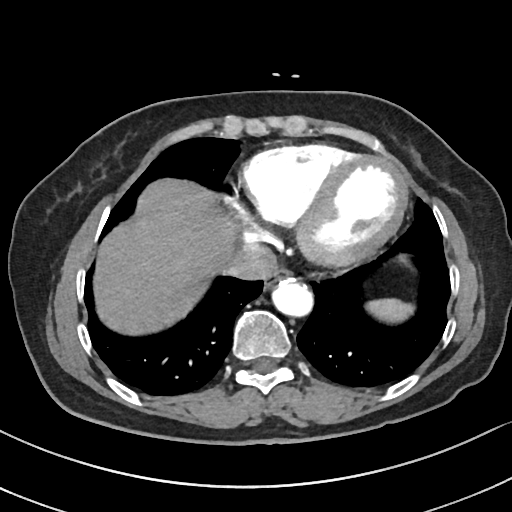

Abdominal CT · axial view · W/L 400/40 HU · 512x512 px
{"organs":{"spleen":[366,299,411,320],"esophagus":[263,269,291,290],"liver":[96,181,233,334],"aorta":[272,278,314,318],"inferior vena cava":[224,243,277,280]}}